CT, abdomen/pelvis — axial view
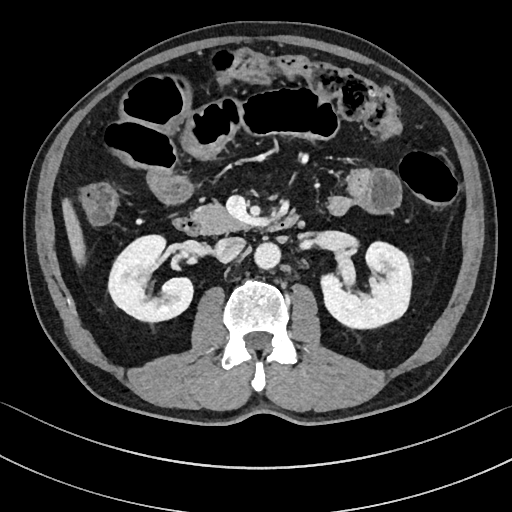 Bounding boxes in pixels, one row per box: x1, y1 is the top-left corner and x2, y2 the bottom-right.
| organ | x1 | y1 | x2 | y2 |
|---|---|---|---|---|
| right kidney | 108 | 233 | 192 | 321 |
| left kidney | 320 | 240 | 412 | 328 |
| liver | 63 | 199 | 86 | 264 |
| aorta | 255 | 241 | 281 | 268 |
| inferior vena cava | 215 | 237 | 245 | 263 |
| pancreas | 192 | 205 | 248 | 233 |
| duodenum | 174 | 215 | 298 | 236 |